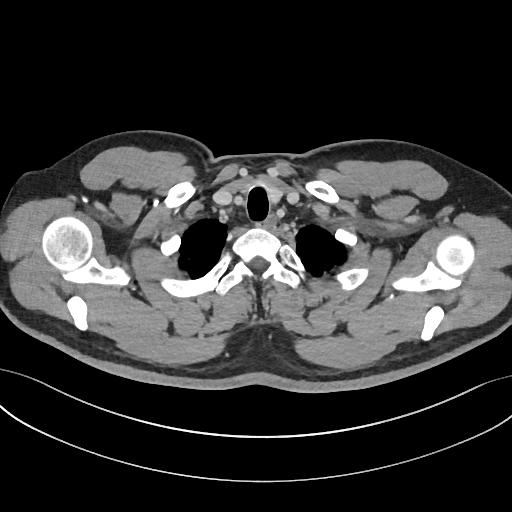 Chest-level slice from an abdominal CT that extends up into the chest. axial view. soft-tissue window, W/L 400/40. 512x512 px
At this level of the chest this dataset labels only the esophagus and the aorta, and each is boxed only where it is labeled; the heart and lungs are never labeled.
<organs><organ name="esophagus" x1="264" y1="215" x2="275" y2="228"/></organs>